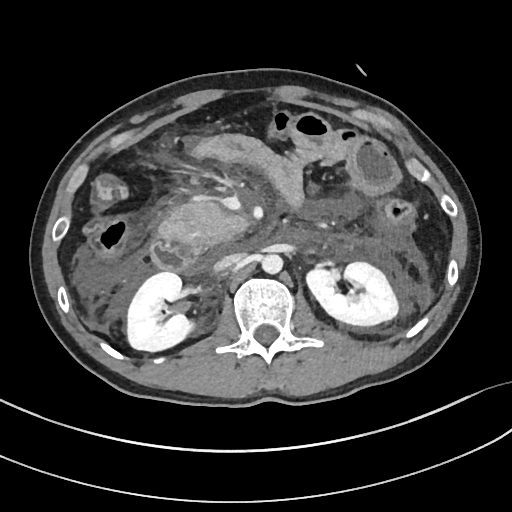 Computed tomography, abdomen — axial view — abdomen soft-tissue window
<organs><organ name="right kidney" x1="126" y1="272" x2="194" y2="350"/><organ name="pancreas" x1="160" y1="198" x2="246" y2="249"/><organ name="duodenum" x1="151" y1="241" x2="208" y2="274"/><organ name="aorta" x1="262" y1="254" x2="283" y2="274"/><organ name="inferior vena cava" x1="214" y1="253" x2="242" y2="271"/><organ name="left kidney" x1="304" y1="262" x2="398" y2="325"/></organs>